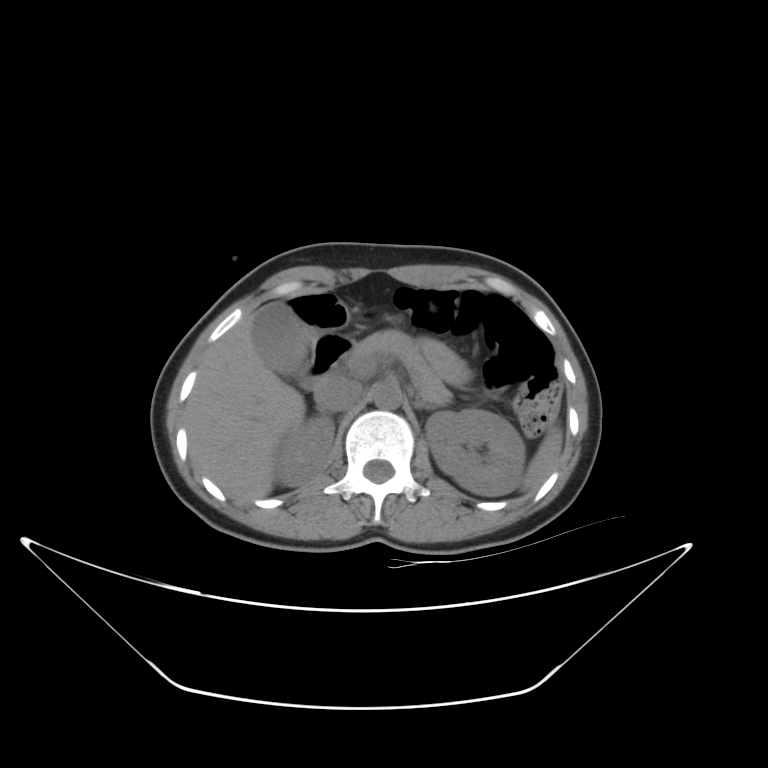
CT, abdomen/pelvis; axial view; soft-tissue window; 768x768 px; 43-year-old female patient
<organs><organ name="spleen" x1="521" y1="426" x2="562" y2="491"/><organ name="right kidney" x1="274" y1="417" x2="334" y2="486"/><organ name="left kidney" x1="426" y1="409" x2="525" y2="496"/><organ name="gall bladder" x1="252" y1="302" x2="301" y2="375"/><organ name="liver" x1="185" y1="313" x2="305" y2="503"/><organ name="stomach" x1="417" y1="339" x2="472" y2="387"/><organ name="aorta" x1="371" y1="383" x2="401" y2="408"/><organ name="inferior vena cava" x1="315" y1="378" x2="362" y2="412"/><organ name="pancreas" x1="350" y1="330" x2="451" y2="406"/><organ name="left adrenal gland" x1="414" y1="399" x2="433" y2="409"/><organ name="duodenum" x1="301" y1="332" x2="354" y2="388"/></organs>